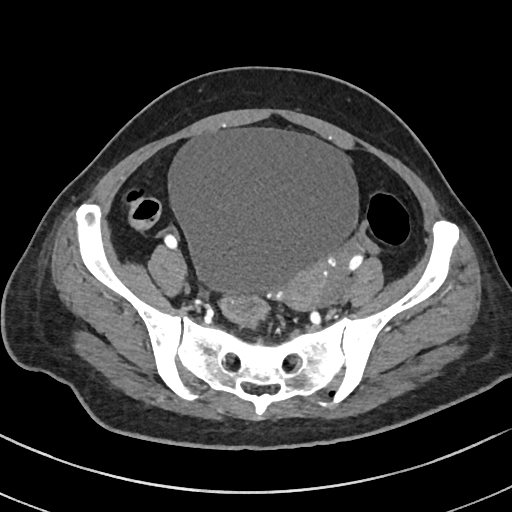

Computed tomography, abdomen · Axial slice 58/191 · soft-tissue window (W 400 / L 40) · 512x512 px
Boxes: x1 y1 x2 y2 (pixel coords, space-separated). 2 labeled organs on this slice — bladder at 169 129 360 296; prostate/uterus at 284 264 325 312.